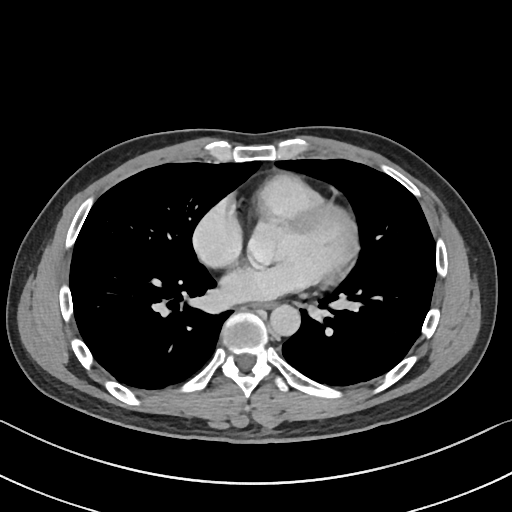
Lower-chest slice from an abdominal CT, just above the liver and spleen — axial view — 512x512 px
Of the structures in the chest, this dataset labels only the esophagus, the aorta and the inferior vena cava; the heart and lungs have no label.
Boxes are (x1, y1, x2, y2) in pixels.
Organ bounding boxes:
- esophagus: (253, 302, 274, 308)
- aorta: (270, 304, 300, 335)